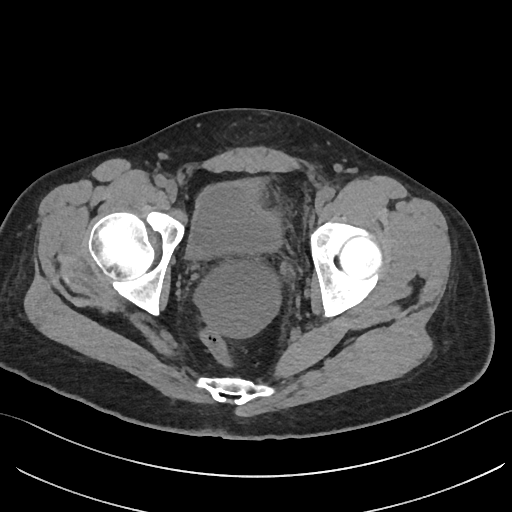

Computed tomography, abdomen. axial view. soft-tissue window. SOMATOM Force scanner
Box edges are left/top/right/bottom in pixels. Labeled organs on this slice: bladder at left=186, top=179, right=284, bottom=261.